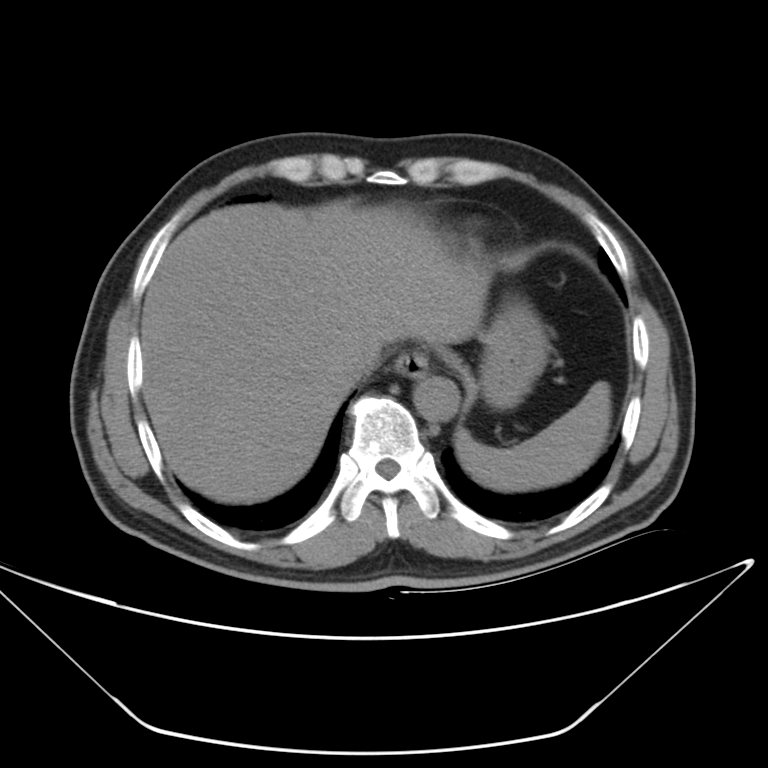
CT abdomen; axial view; W/L 400/40 HU; 768x768 px
Boxes: x1:y1:x2:y2 in pixels. 6 labeled organs on this slice — spleen at 454:379:610:487; esophagus at 394:351:428:378; liver at 141:200:476:501; stomach at 480:305:550:410; aorta at 414:374:459:419; inferior vena cava at 346:355:370:381.